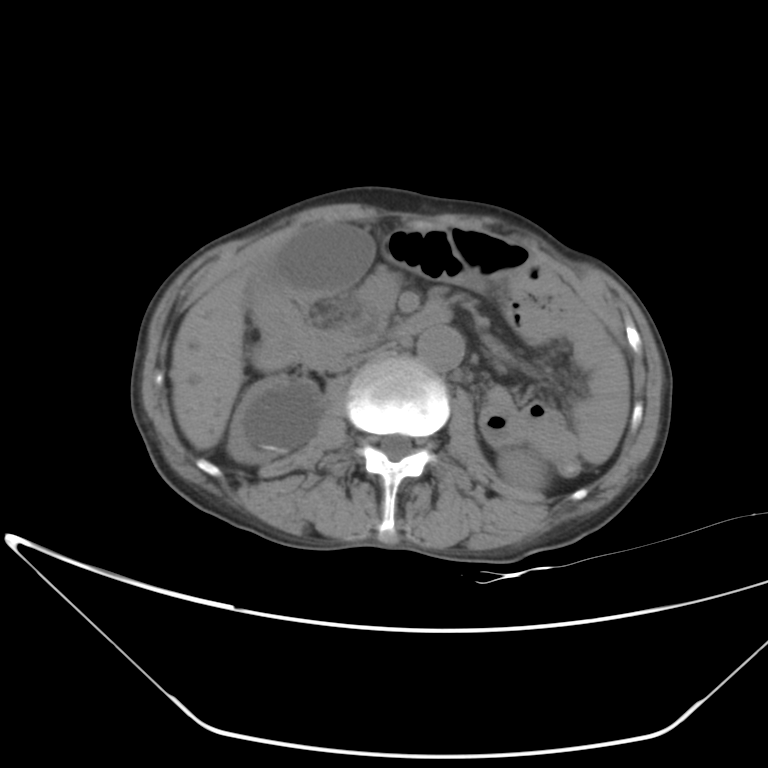 Abdominal CT; axial view; soft-tissue window
Organ boxes in pixel coordinates; each row gives the top-left (x1, y1) and bottom-right (x2, y2) corners.
| organ | x1 | y1 | x2 | y2 |
|---|---|---|---|---|
| right kidney | 227 | 375 | 322 | 463 |
| left kidney | 498 | 450 | 546 | 493 |
| gall bladder | 262 | 224 | 374 | 297 |
| liver | 169 | 279 | 244 | 449 |
| aorta | 417 | 325 | 463 | 371 |
| inferior vena cava | 331 | 346 | 381 | 371 |
| duodenum | 296 | 301 | 451 | 369 |